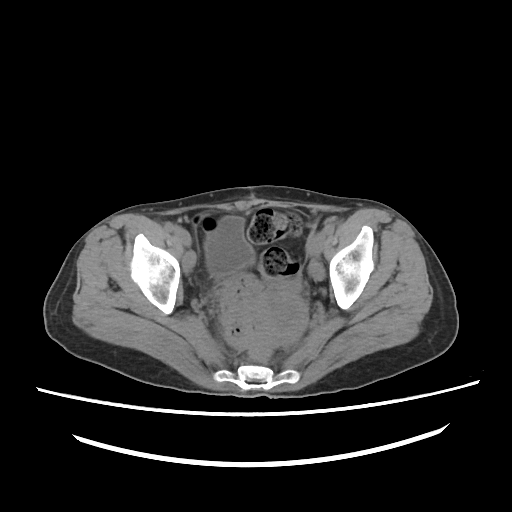
CT, abdomen/pelvis. Axial slice 18/82. soft-tissue window. 512x512 px. 58-year-old female patient
Boxes: x1 y1 x2 y2 (pixel coords, space-separated).
Organ bounding boxes:
- bladder: 205 218 254 273
- prostate/uterus: 258 284 306 340